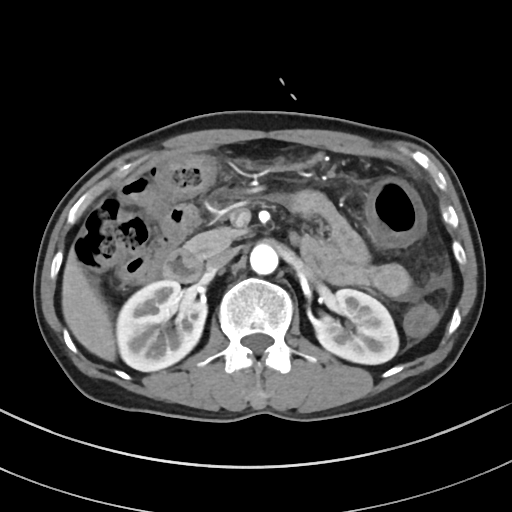 Computed tomography, abdomen. axial view. abdomen soft-tissue window. 512x512 px
<organs><organ name="left kidney" x1="314" y1="289" x2="398" y2="364"/><organ name="pancreas" x1="183" y1="227" x2="248" y2="258"/><organ name="liver" x1="61" y1="249" x2="115" y2="360"/><organ name="aorta" x1="250" y1="243" x2="277" y2="274"/><organ name="right kidney" x1="116" y1="280" x2="206" y2="371"/><organ name="duodenum" x1="163" y1="233" x2="302" y2="282"/><organ name="inferior vena cava" x1="206" y1="249" x2="235" y2="270"/></organs>